Abdominal CT · axial view · soft-tissue window · 512x512 px · 15 organs annotated in this scan (counted over the whole 3D scan, not this slice; an organ is boxed only where this slice passes through it)
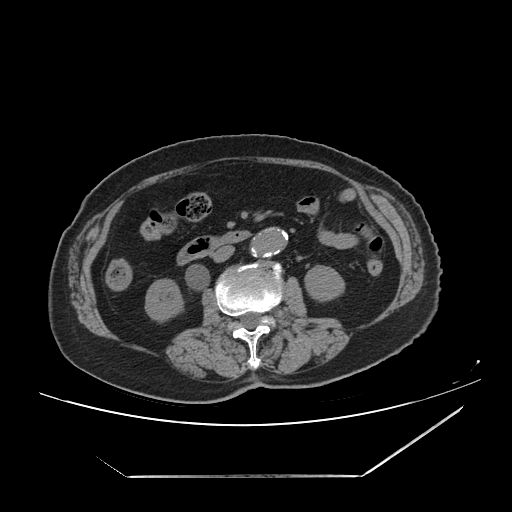

{"organs":{"duodenum":[175,230,257,265],"right kidney":[144,278,184,324],"left kidney":[303,265,345,303],"aorta":[247,228,285,257],"inferior vena cava":[210,246,233,262]}}